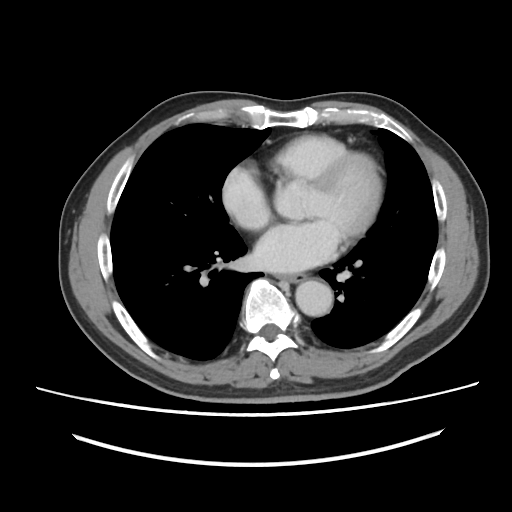
CT of the abdomen reaching into the lower chest, slice just above the liver and spleen. axial plane, index 91. soft-tissue window, W/L 400/40. 512x512 px. 58-year-old male patient
No part of the heart or lungs is labeled in this dataset, so neither has a box here.
Boxes: x1:y1:x2:y2 in pixels.
aorta: 295:280:332:316
esophagus: 278:275:305:282